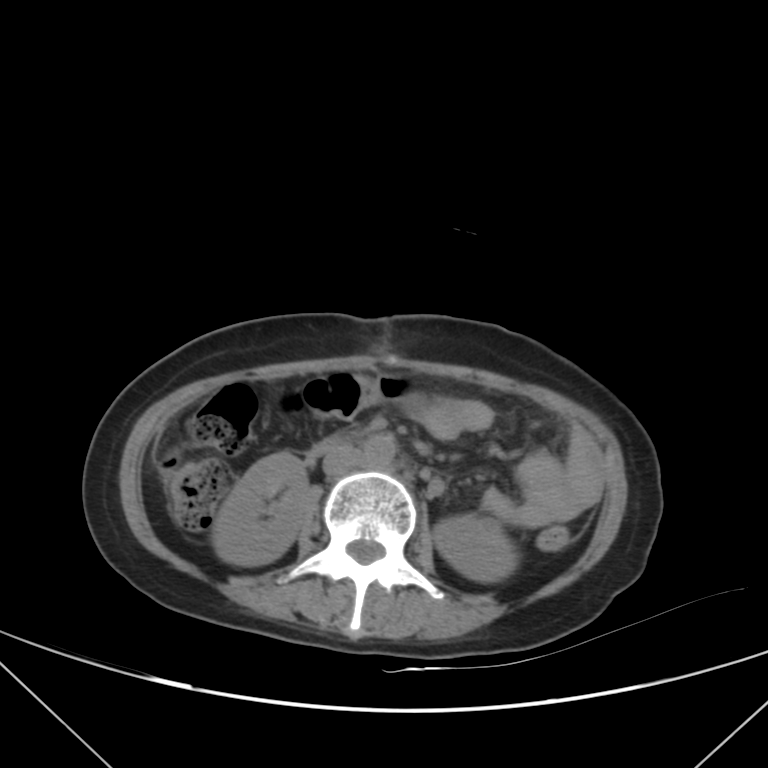

Abdominal CT. axial view. acquired on Brilliance16. scan has 15 labeled organs (counted over the whole 3D scan, not this slice; an organ is boxed only where this slice passes through it)
<organs><organ name="right kidney" x1="213" y1="452" x2="307" y2="566"/><organ name="left kidney" x1="433" y1="514" x2="518" y2="583"/><organ name="aorta" x1="364" y1="435" x2="395" y2="468"/><organ name="inferior vena cava" x1="323" y1="445" x2="363" y2="476"/><organ name="duodenum" x1="310" y1="436" x2="344" y2="457"/></organs>